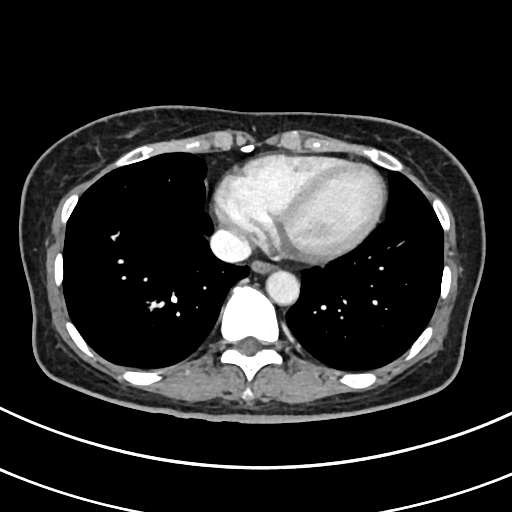
Abdominal CT; this slice is in the lower chest, just above the liver. axial plane, index 191. scan has 15 labeled organs (that count is for the whole scan; organs this slice misses have no box)
No part of the heart or lungs is labeled in this dataset, so neither has a box here.
Bounding boxes as [x1, y1, x2, y2] in pixel coordinates.
aorta: [265, 270, 298, 304]
esophagus: [251, 263, 275, 272]
inferior vena cava: [210, 229, 251, 263]